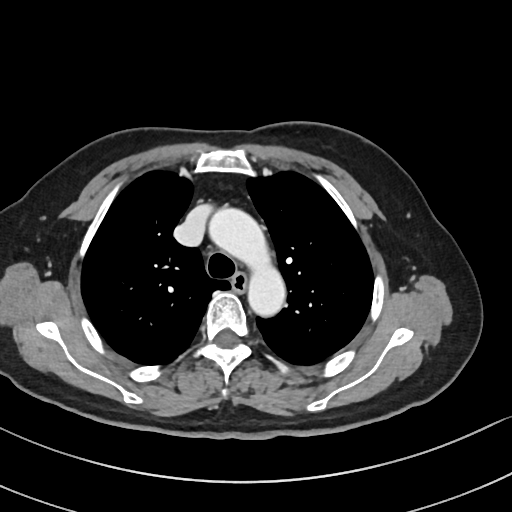

Abdominal CT reaching into the chest; this slice is in the chest; Axial slice 277/314; 14 organs annotated in this scan (that count is for the whole scan; organs this slice misses have no box)
At this level of the chest this dataset labels only the esophagus and the aorta, and each is boxed only where it is labeled; the heart and lungs are never labeled.
One row per box, in pixels: columns x1 and y1 give the top-left corner, x2 and y2 the bottom-right.
| organ | x1 | y1 | x2 | y2 |
|---|---|---|---|---|
| aorta | 206 | 206 | 286 | 318 |
| esophagus | 232 | 274 | 248 | 292 |